Computed tomography, abdomen · axial view · soft-tissue window · 512x512 px · 76-year-old female patient · Aquilion ONE scanner
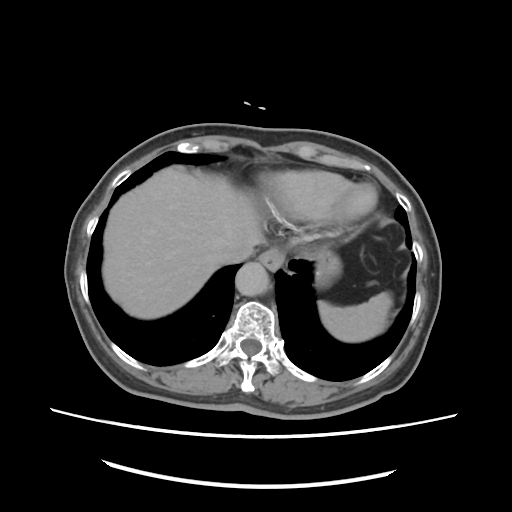

One row per box, in pixels: columns x1 and y1 give the top-left corner, x2 and y2 the bottom-right.
| organ | x1 | y1 | x2 | y2 |
|---|---|---|---|---|
| aorta | 235 | 263 | 267 | 295 |
| inferior vena cava | 221 | 245 | 252 | 264 |
| spleen | 318 | 292 | 392 | 343 |
| esophagus | 257 | 249 | 283 | 268 |
| stomach | 314 | 251 | 342 | 289 |
| liver | 103 | 165 | 263 | 320 |